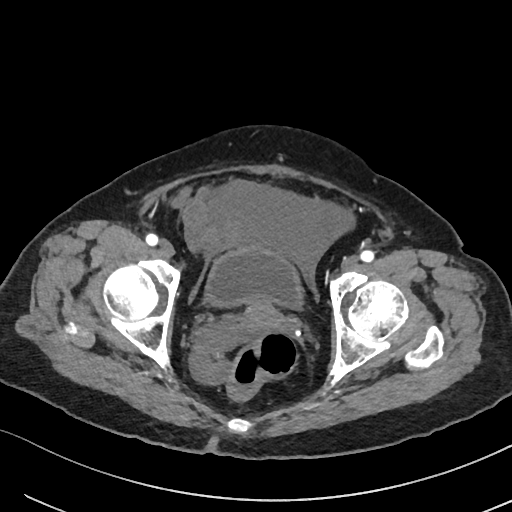 CT abdomen; axial view; soft-tissue window
<organs><organ name="bladder" x1="206" y1="245" x2="302" y2="306"/><organ name="prostate/uterus" x1="245" y1="304" x2="283" y2="329"/></organs>